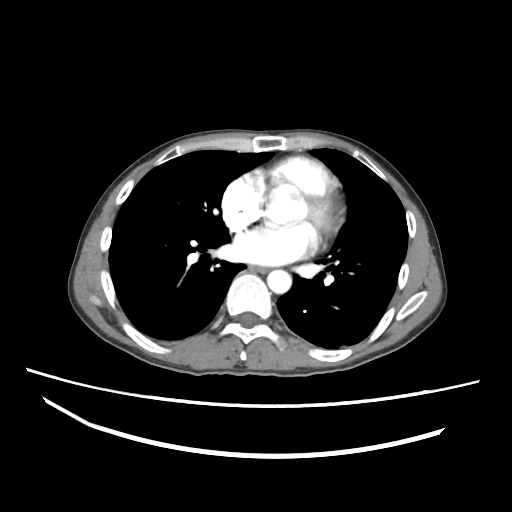
CT of the abdomen extending into the chest, slice through the chest. axial view
At this level of the chest this dataset labels only the esophagus and the aorta, and each is boxed only where it is labeled; the heart and lungs are never labeled.
Bounding boxes in pixels, one row per box: x1, y1 is the top-left corner and x2, y2 the bottom-right.
| organ | x1 | y1 | x2 | y2 |
|---|---|---|---|---|
| esophagus | 249 | 265 | 268 | 272 |
| aorta | 267 | 269 | 291 | 293 |